CT abdomen. axial plane, index 53. W/L 400/40 HU
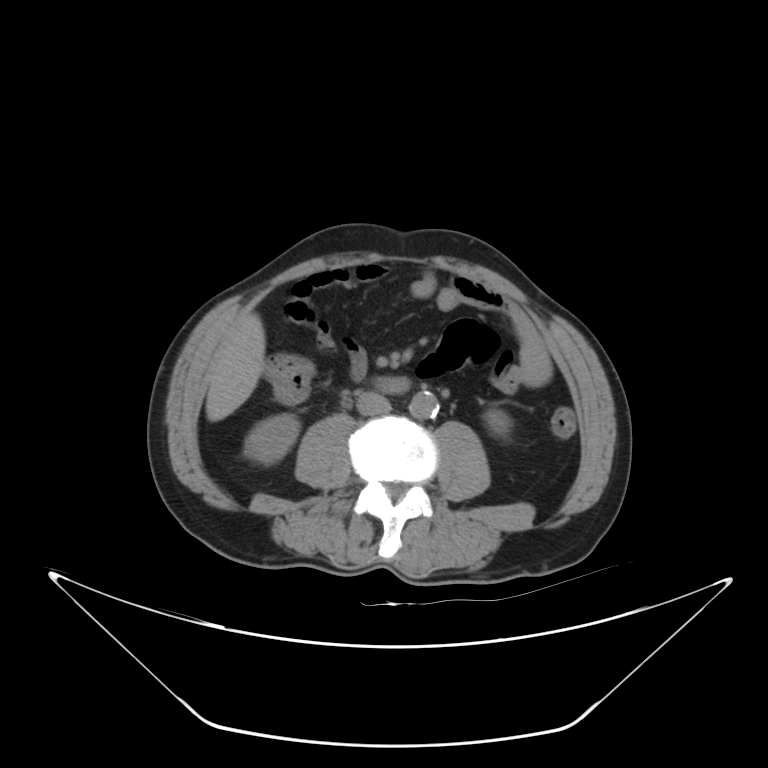

{"organs":{"aorta":[408,390,438,419],"inferior vena cava":[356,392,391,415],"duodenum":[378,376,409,392],"left kidney":[484,410,510,436],"right kidney":[244,414,300,464],"liver":[205,313,265,420]}}